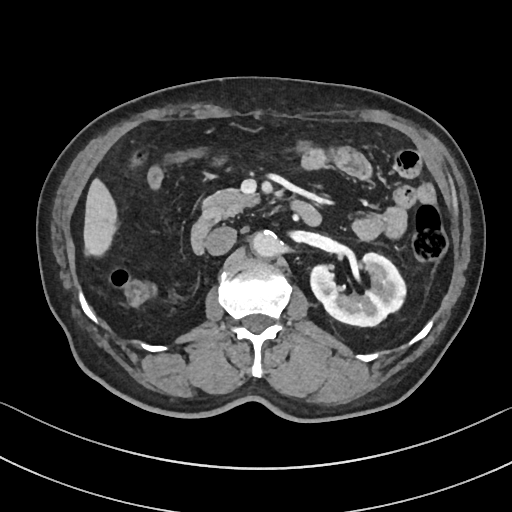 Computed tomography, abdomen; axial view; soft-tissue window (W 400 / L 40); 512x512 px; SOMATOM Force scanner; scan has 14 labeled organs (counted over the whole 3D scan, not this slice; an organ is boxed only where this slice passes through it)
<organs><organ name="left kidney" x1="309" y1="253" x2="406" y2="327"/><organ name="liver" x1="83" y1="178" x2="117" y2="256"/><organ name="aorta" x1="251" y1="230" x2="282" y2="258"/><organ name="inferior vena cava" x1="205" y1="227" x2="236" y2="256"/><organ name="pancreas" x1="201" y1="189" x2="258" y2="220"/><organ name="duodenum" x1="190" y1="200" x2="320" y2="254"/></organs>